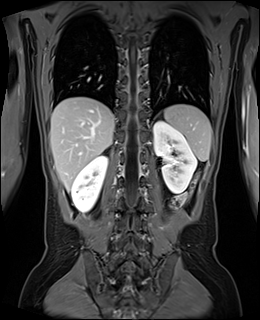
Abdominal MR. coronal plane, index 54. percentile-normalized. 260x320 px
<organs><organ name="spleen" x1="164" y1="104" x2="211" y2="161"/><organ name="right kidney" x1="71" y1="155" x2="107" y2="212"/><organ name="left kidney" x1="153" y1="121" x2="196" y2="193"/><organ name="liver" x1="50" y1="96" x2="114" y2="190"/></organs>